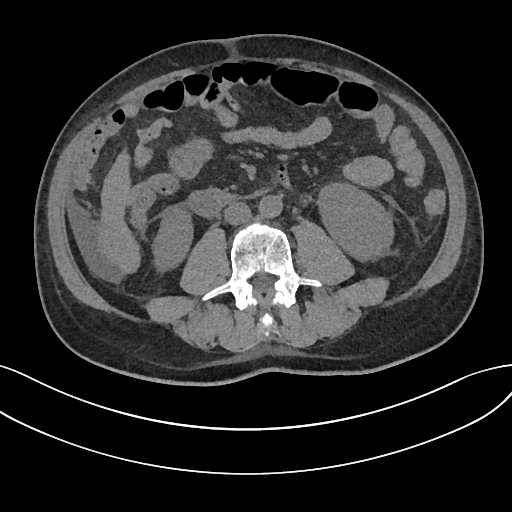

CT abdomen; axial plane, index 107; soft-tissue window (W 400 / L 40); acquired on SOMATOM Force
One row per box, in pixels: columns x1 and y1 give the top-left corner, x2 and y2 the bottom-right.
| organ | x1 | y1 | x2 | y2 |
|---|---|---|---|---|
| right kidney | 153 | 210 | 192 | 269 |
| left kidney | 318 | 184 | 394 | 258 |
| liver | 99 | 155 | 139 | 271 |
| aorta | 258 | 195 | 282 | 217 |
| inferior vena cava | 224 | 201 | 252 | 224 |
| duodenum | 188 | 189 | 270 | 216 |